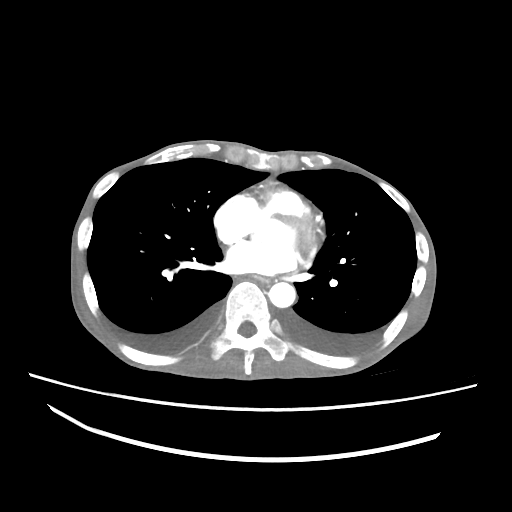

Lower-chest slice from an abdominal CT, just above the liver and spleen · axial view · W/L 400/40 HU · 512x512 px · 47-year-old male patient · 15 organs annotated in this scan (a whole-scan count: organs this slice does not pass through have no box)
The heart and lungs are never labeled in this dataset, so they have no box on this slice.
<organs><organ name="esophagus" x1="252" y1="275" x2="271" y2="284"/><organ name="aorta" x1="268" y1="282" x2="295" y2="307"/></organs>